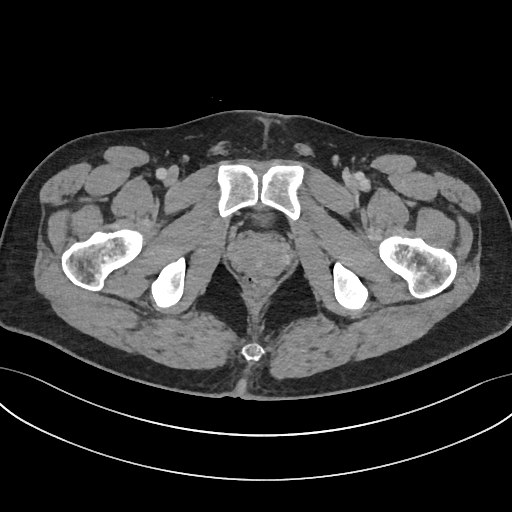

Computed tomography, abdomen. axial view. soft-tissue window. 512x512 px. scan has 15 labeled organs (a whole-scan count: organs this slice does not pass through have no box)
<organs><organ name="prostate/uterus" x1="231" y1="236" x2="286" y2="275"/><organ name="bladder" x1="255" y1="212" x2="272" y2="226"/></organs>